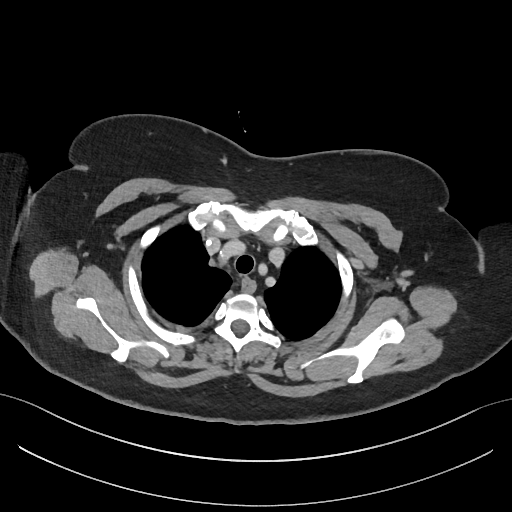

Chest-level CT slice, above the liver and spleen — axial plane, index 282 — scan has 15 labeled organs (a whole-scan count: organs this slice does not pass through have no box)
At this level of the chest this dataset labels only the esophagus and the aorta, and each is boxed only where it is labeled; the heart and lungs are never labeled.
Box edges are left/top/right/bottom in pixels.
Organ bounding boxes:
- esophagus: left=240, top=278, right=256, bottom=292